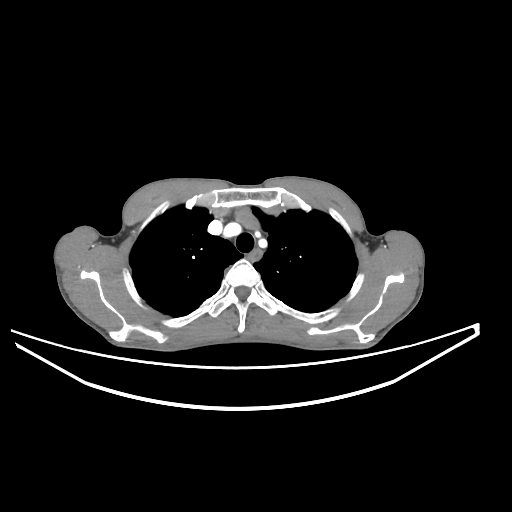
CT of the abdomen extending into the chest, slice through the chest. axial view. soft-tissue window, W/L 400/40. 512x512 px. 60-year-old male patient. 15 organs annotated in this scan (that count is for the whole scan; organs this slice misses have no box)
On a slice this high in the chest, this dataset labels only the esophagus and the aorta, and each is boxed only where it is labeled; the heart, lungs and other chest structures are not labeled. Boxes are (x1, y1, x2, y2) in pixels. Labeled organs on this slice: esophagus at (247, 247, 262, 261).